CT, abdomen/pelvis — axial view
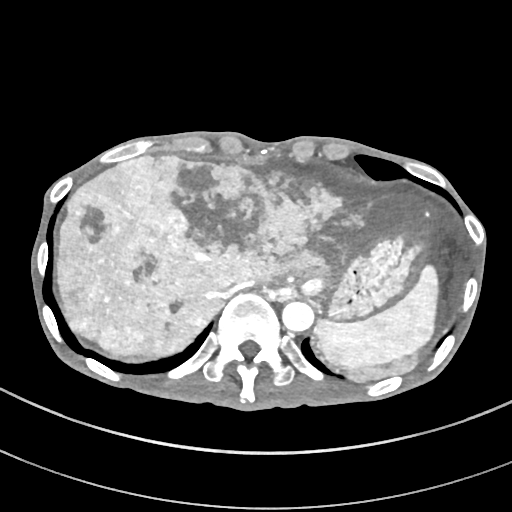
{"organs":{"spleen":[314,265,438,366],"liver":[55,155,437,384],"stomach":[298,235,419,319],"aorta":[282,301,314,332],"inferior vena cava":[221,282,253,298]}}